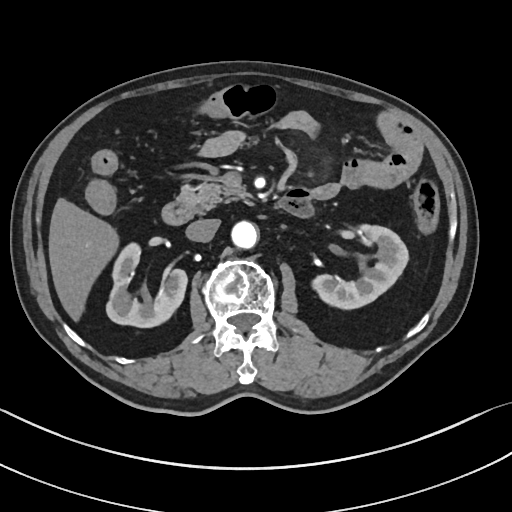

Computed tomography, abdomen; axial view
Box edges are left/top/right/bottom in pixels.
liver: left=48, top=197, right=118, bottom=323
pancreas: left=177, top=182, right=249, bottom=213
duodenum: left=161, top=193, right=315, bottom=225
aorta: left=231, top=222, right=257, bottom=249
left kidney: left=313, top=226, right=407, bottom=310
right kidney: left=107, top=245, right=187, bottom=328
inferior vena cava: left=185, top=219, right=220, bottom=241